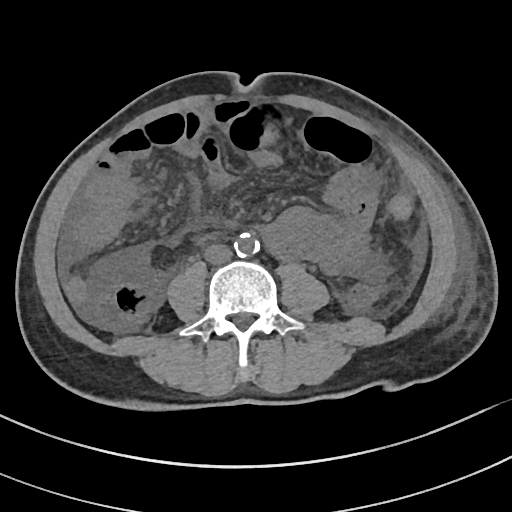 Computed tomography, abdomen — Axial slice 95/206 — 15 organs annotated in this scan (counted over the whole 3D scan, not this slice; an organ is boxed only where this slice passes through it)
{"organs":{"spleen":[389,196,411,219],"aorta":[234,232,259,257],"inferior vena cava":[204,244,232,263]}}